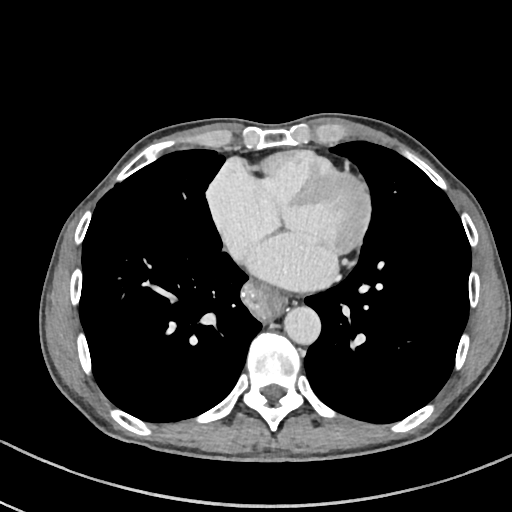
CT of the abdomen reaching into the lower chest, slice just above the liver and spleen — Axial slice 215/306
The heart and lungs are never labeled in this dataset, so they have no box on this slice.
Bounding boxes as [x1, y1, x2, y2] in pixel coordinates.
Organ bounding boxes:
- esophagus: [244, 283, 285, 319]
- aorta: [284, 306, 320, 344]